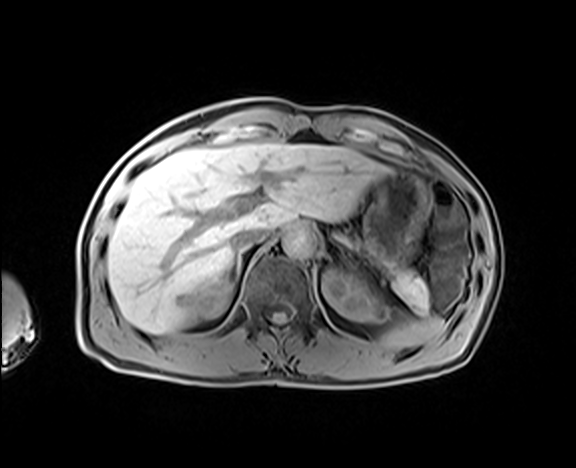 Abdominal MRI — axial view — percentile-normalized — scan has 13 labeled organs (that count is for the whole scan; organs this slice misses have no box)
Bounding boxes as [x1, y1, x2, y2] in pixel coordinates. The annotated organs in this slice are: inferior vena cava at [231, 227, 268, 249], stomach at [363, 171, 431, 265], liver at [107, 143, 389, 333], aorta at [282, 227, 315, 257], left kidney at [322, 269, 389, 322], right kidney at [190, 281, 231, 319], spleen at [380, 314, 443, 349], pancreas at [391, 269, 429, 316], right adrenal gland at [224, 249, 244, 283].